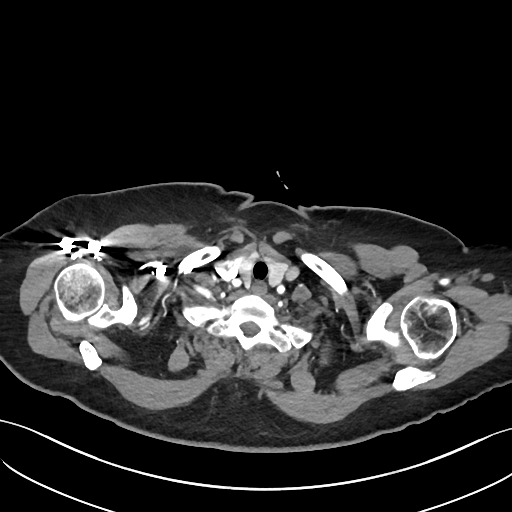
Chest-level slice from an abdominal CT that extends up into the chest · axial plane, index 272 · soft-tissue window (W 400 / L 40)
At this level of the chest no structure but the esophagus and the aorta has a label in this dataset, and those two are boxed only where they are labeled.
{"organs":{"esophagus":[251,282,265,295]}}